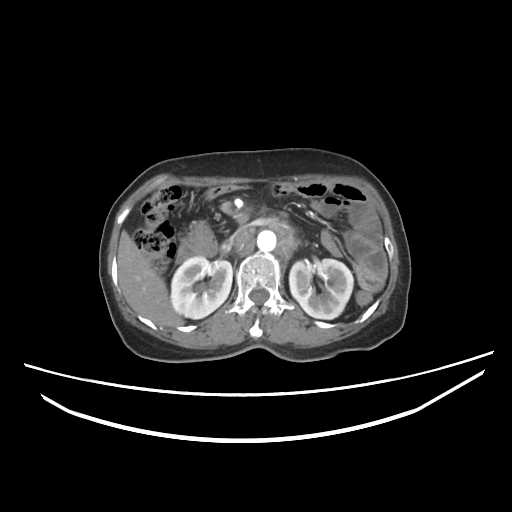

Abdominal CT; Axial slice 68/122; W/L 400/40 HU; 63-year-old female patient; acquired on Aquilion ONE
Boxes: x1 y1 x2 y2 (pixel coords, space-separated). 6 labeled organs on this slice — left kidney at 289 258 353 318; liver at 117 231 183 327; duodenum at 177 221 214 260; aorta at 258 230 276 251; inferior vena cava at 220 223 250 253; right kidney at 170 257 231 318.